CT, abdomen/pelvis — Axial slice 146/192 — 512x512 px
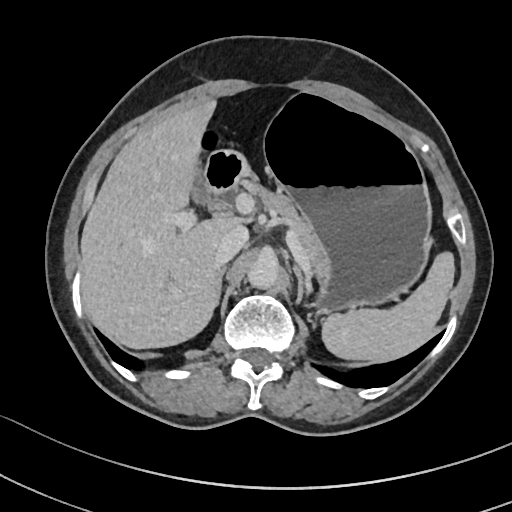

{"organs":{"spleen":[322,252,454,361],"gall bladder":[192,185,208,203],"liver":[80,102,240,348],"stomach":[268,95,431,310],"aorta":[247,253,279,288],"inferior vena cava":[214,225,248,265],"pancreas":[251,184,323,267],"right adrenal gland":[216,267,226,304],"left adrenal gland":[294,266,304,302],"duodenum":[204,148,248,194]}}